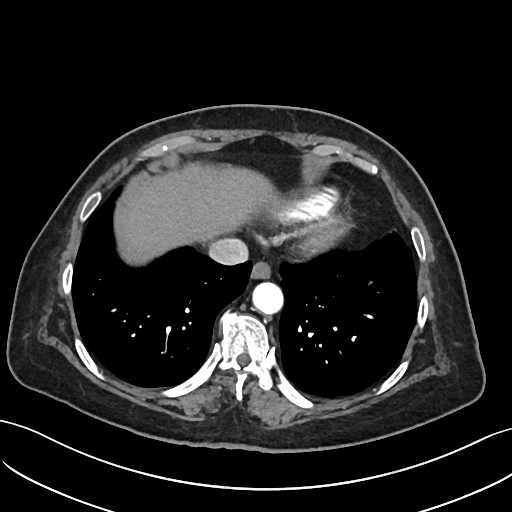

Abdominal CT · Axial slice 178/276 · soft-tissue window (W 400 / L 40)
Boxes: x1 y1 x2 y2 (pixel coords, space-separated).
Organ bounding boxes:
- esophagus: 251 262 271 278
- liver: 125 165 274 255
- aorta: 252 281 282 313
- inferior vena cava: 208 238 248 265